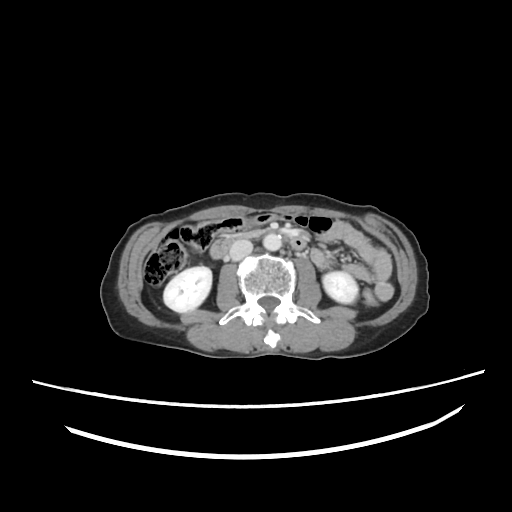

CT, abdomen/pelvis. axial view. scan has 15 labeled organs (a whole-scan count: organs this slice does not pass through have no box)
Boxes: x1:y1:x2:y2 in pixels. 6 labeled organs on this slice — right kidney at 163:267:211:312; left kidney at 322:271:357:302; aorta at 264:232:282:251; inferior vena cava at 229:238:252:260; pancreas at 242:228:262:239; duodenum at 210:237:234:259.